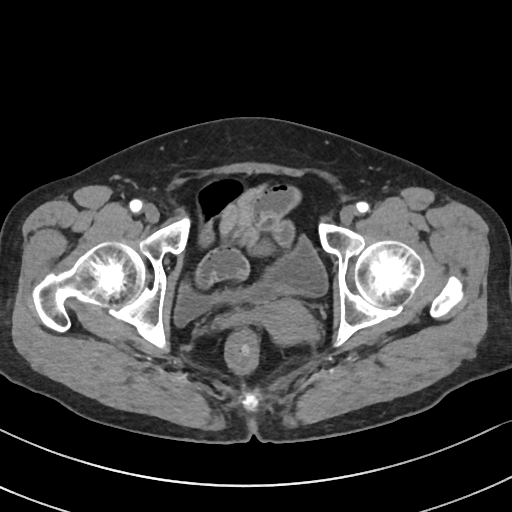
CT abdomen · axial plane, index 29 · W/L 400/40 HU · 512x512 px · acquired on SOMATOM Force
{"organs":{"bladder":[175,236,326,324],"prostate/uterus":[260,300,315,343]}}